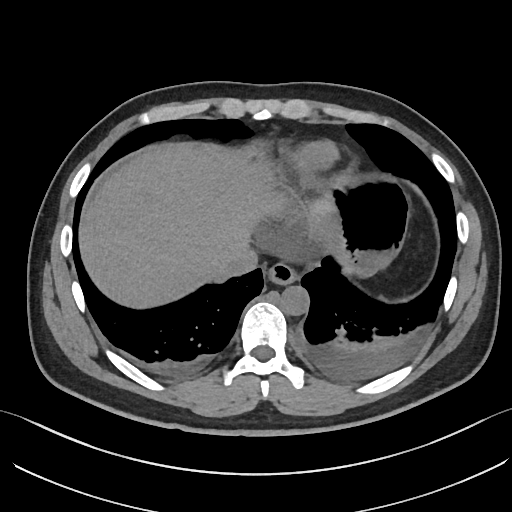

Computed tomography, abdomen — axial plane, index 213 — soft-tissue window (W 400 / L 40)
Coordinates as <box>x1,y1,x2,y2</box> in pixels.
esophagus: <box>267,263,297,284</box>
liver: <box>78,140,336,309</box>
stomach: <box>327,177,408,279</box>
aorta: <box>279,285,309,315</box>
inferior vena cava: <box>220,246,257,279</box>